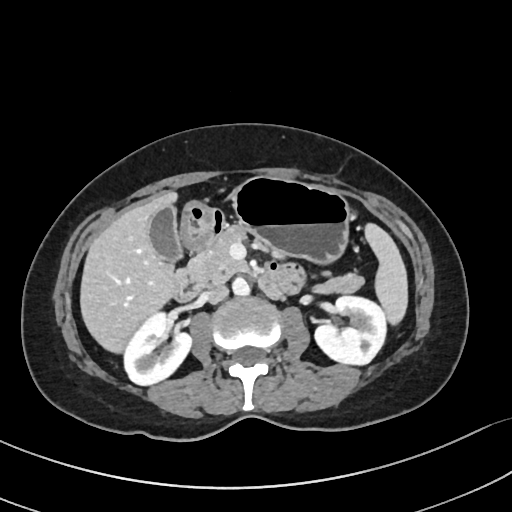
CT abdomen · axial view · abdomen soft-tissue window · SOMATOM Force scanner
Organ boxes in pixel coordinates; each row gives the top-left (x1, y1) and bottom-right (x2, y2) corners.
| organ | x1 | y1 | x2 | y2 |
|---|---|---|---|---|
| spleen | 366 | 224 | 407 | 324 |
| right kidney | 123 | 312 | 191 | 384 |
| left kidney | 315 | 295 | 386 | 363 |
| gall bladder | 149 | 205 | 182 | 260 |
| liver | 81 | 190 | 179 | 350 |
| stomach | 179 | 177 | 350 | 262 |
| aorta | 232 | 276 | 249 | 295 |
| inferior vena cava | 207 | 285 | 228 | 303 |
| pancreas | 183 | 225 | 363 | 292 |
| duodenum | 173 | 208 | 306 | 301 |